Abdominal CT; this slice is in the lower chest, just above the liver. axial view. W/L 400/40 HU. 512x512 px. SOMATOM Force scanner
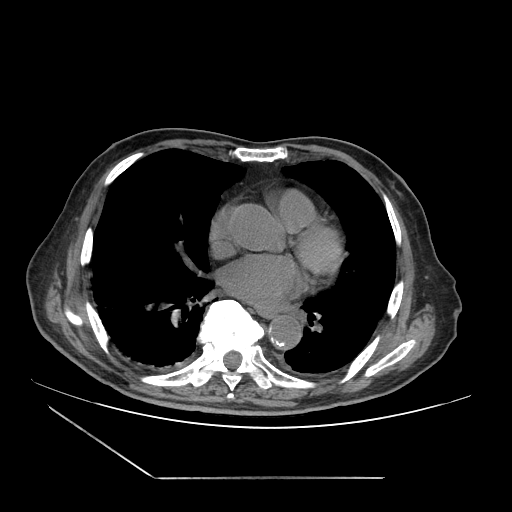 Of the structures in the chest, this dataset labels only the esophagus, the aorta and the inferior vena cava; the heart and lungs have no label.
Organ boxes in pixel coordinates; each row gives the top-left (x1, y1) and bottom-right (x2, y2) corners.
| organ | x1 | y1 | x2 | y2 |
|---|---|---|---|---|
| esophagus | 257 | 310 | 277 | 318 |
| aorta | 268 | 315 | 301 | 349 |